Abdominal CT; this slice is in the lower chest, just above the liver. axial view. soft-tissue window
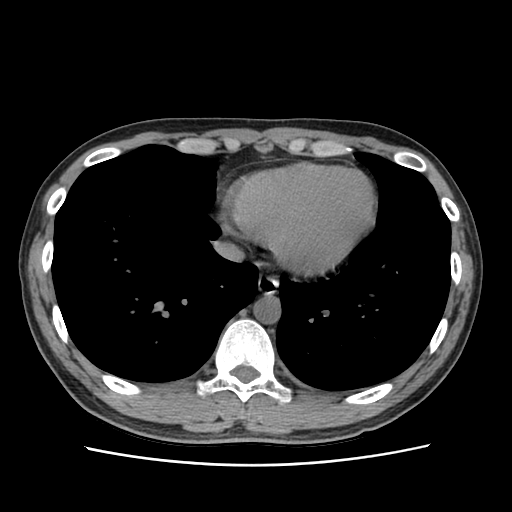
The heart and lungs are never labeled in this dataset, so they have no box on this slice.
Boxes are (x1, y1, x2, y2) in pixels.
esophagus: (257, 276, 278, 295)
aorta: (253, 296, 280, 324)
inferior vena cava: (214, 242, 244, 262)